CT abdomen · axial plane, index 36 · 512x512 px · 15 organs annotated in this scan (a whole-scan count: organs this slice does not pass through have no box)
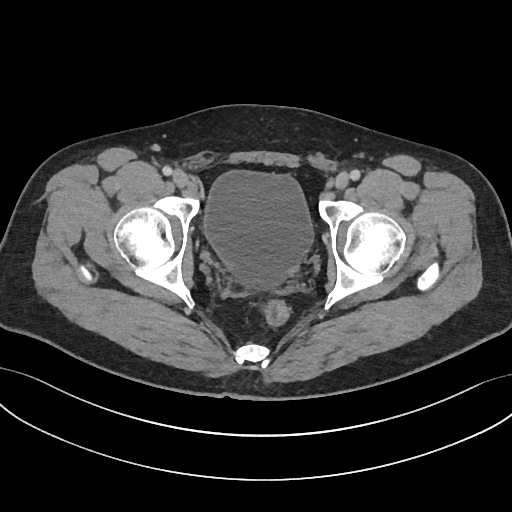 Each box given as x1,y1,x2,y2.
Organ bounding boxes:
- bladder: x1=204, y1=170, x2=312, y2=287